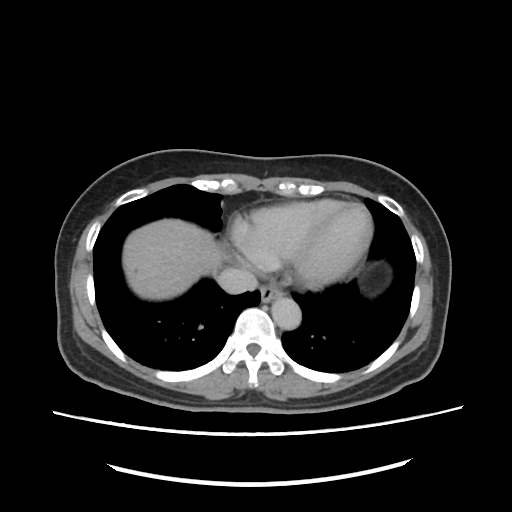 CT abdomen; Axial slice 82/85; 512x512 px
<organs><organ name="esophagus" x1="260" y1="286" x2="281" y2="302"/><organ name="liver" x1="122" y1="219" x2="229" y2="299"/><organ name="aorta" x1="272" y1="296" x2="302" y2="329"/><organ name="inferior vena cava" x1="218" y1="267" x2="257" y2="293"/></organs>